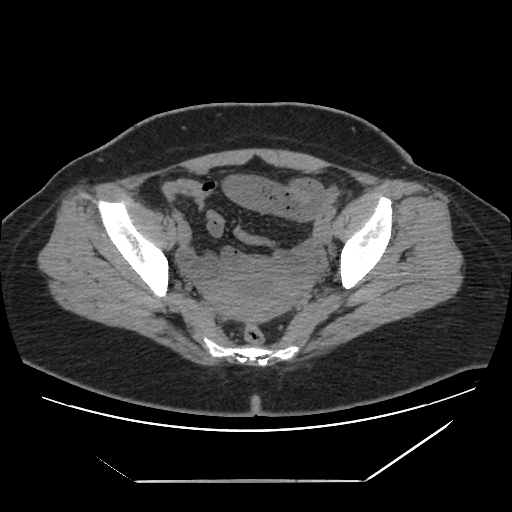
Computed tomography, abdomen; axial plane, index 65; 512x512 px
<organs><organ name="duodenum" x1="231" y1="259" x2="262" y2="270"/><organ name="prostate/uterus" x1="205" y1="260" x2="302" y2="322"/></organs>